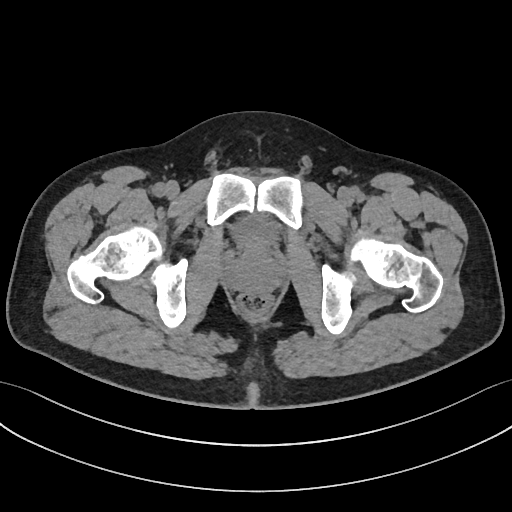 CT abdomen; axial plane, index 21; soft-tissue window; SOMATOM Force scanner
Organ boxes in pixel coordinates; each row gives the top-left (x1, y1) and bottom-right (x2, y2) corners.
| organ | x1 | y1 | x2 | y2 |
|---|---|---|---|---|
| bladder | 234 | 215 | 279 | 245 |
| prostate/uterus | 228 | 246 | 281 | 291 |